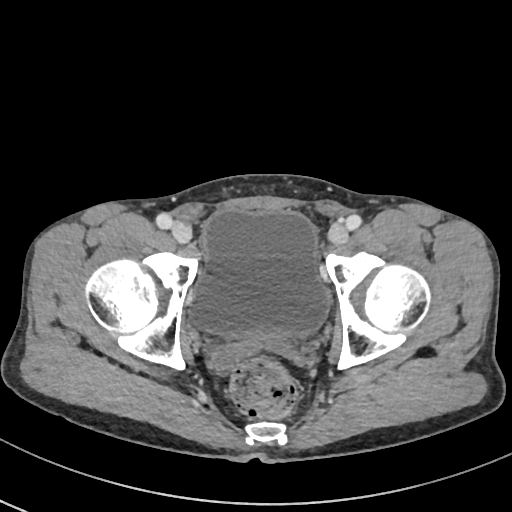

Abdominal CT · axial view · SOMATOM Force scanner
{"organs":{"bladder":[189,209,330,336]}}